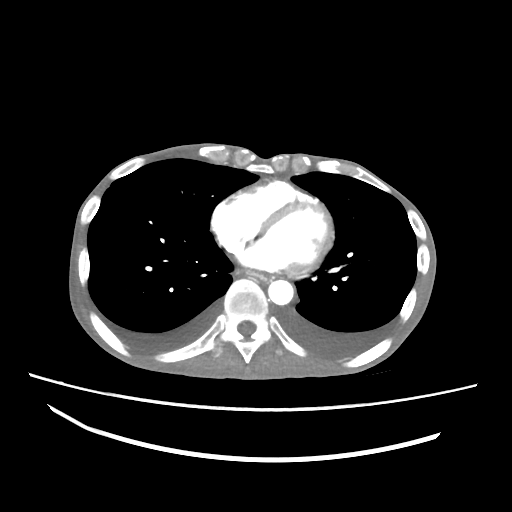

Abdominal CT; this slice is in the lower chest, just above the liver — Axial slice 86/123 — soft-tissue window, W/L 400/40 — 512x512 px — 47-year-old male patient
No part of the heart or lungs is labeled in this dataset, so neither has a box here. Boxes: x1 y1 x2 y2 (pixel coords, space-separated). Labeled organs on this slice: esophagus at 242 269 269 283, aorta at 268 280 293 305.